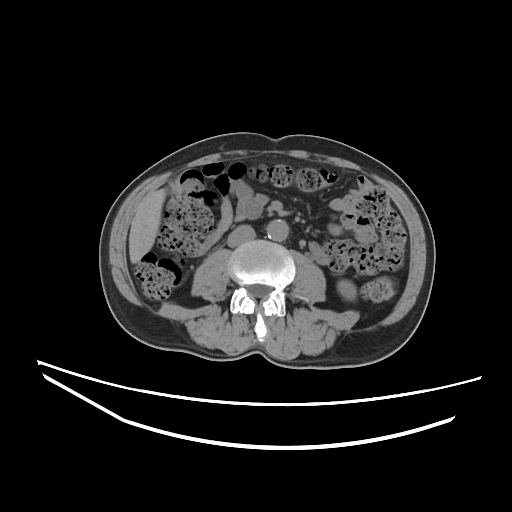 Computed tomography, abdomen. axial view. soft-tissue window (W 400 / L 40). 68-year-old male patient. 15 organs annotated in this scan (a whole-scan count: organs this slice does not pass through have no box)
{"organs":{"left kidney":[337,280,356,300],"liver":[129,189,165,263],"aorta":[266,219,288,241],"inferior vena cava":[227,225,255,247]}}